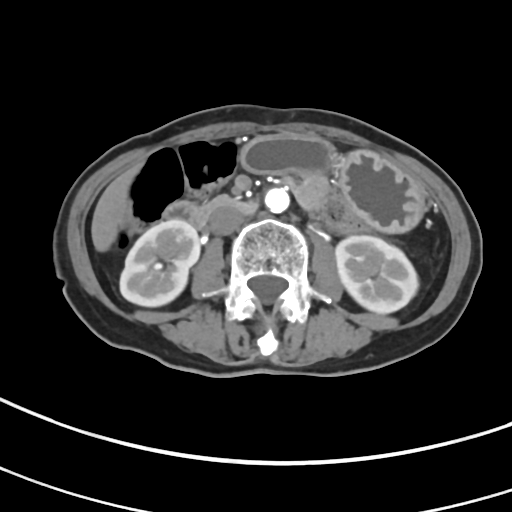

CT abdomen · axial view · soft-tissue window
<organs><organ name="right kidney" x1="119" y1="220" x2="200" y2="306"/><organ name="left kidney" x1="335" y1="235" x2="418" y2="313"/><organ name="liver" x1="91" y1="168" x2="137" y2="251"/><organ name="stomach" x1="240" y1="135" x2="422" y2="232"/><organ name="aorta" x1="264" y1="188" x2="289" y2="213"/><organ name="inferior vena cava" x1="209" y1="208" x2="242" y2="234"/><organ name="duodenum" x1="163" y1="195" x2="256" y2="228"/></organs>